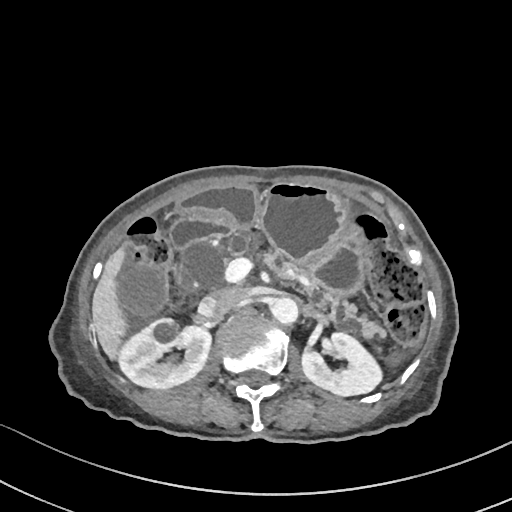 CT abdomen; Axial slice 170/236; soft-tissue window (W 400 / L 40); 512x512 px
<organs><organ name="right kidney" x1="118" y1="317" x2="211" y2="388"/><organ name="left kidney" x1="302" y1="332" x2="381" y2="396"/><organ name="gall bladder" x1="119" y1="265" x2="163" y2="315"/><organ name="liver" x1="92" y1="248" x2="127" y2="358"/><organ name="stomach" x1="177" y1="183" x2="367" y2="293"/><organ name="aorta" x1="269" y1="297" x2="297" y2="323"/><organ name="inferior vena cava" x1="197" y1="287" x2="248" y2="318"/><organ name="pancreas" x1="226" y1="226" x2="386" y2="338"/><organ name="duodenum" x1="168" y1="215" x2="230" y2="249"/></organs>